Computed tomography, abdomen; axial view; SOMATOM Force scanner; 15 organs annotated in this scan (a whole-scan count: organs this slice does not pass through have no box)
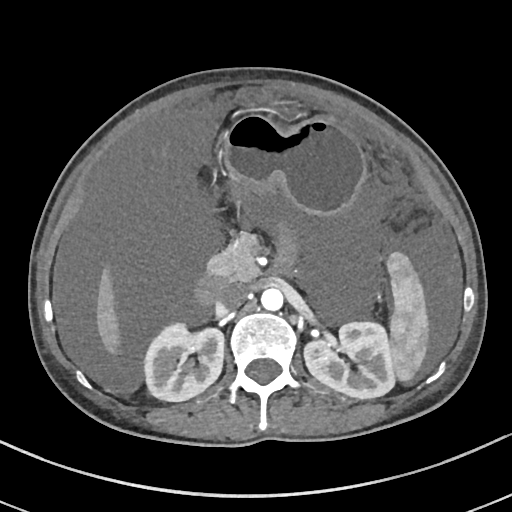

Organ boxes in pixel coordinates; each row gives the top-left (x1, y1) and bottom-right (x2, y2) corners.
| organ | x1 | y1 | x2 | y2 |
|---|---|---|---|---|
| inferior vena cava | 217 | 284 | 247 | 311 |
| spleen | 387 | 253 | 428 | 380 |
| liver | 97 | 276 | 115 | 347 |
| stomach | 224 | 114 | 365 | 214 |
| duodenum | 195 | 276 | 226 | 307 |
| aorta | 260 | 287 | 283 | 310 |
| right kidney | 144 | 322 | 223 | 401 |
| left kidney | 303 | 321 | 395 | 399 |
| pancreas | 208 | 235 | 259 | 282 |